Abdominal MRI · coronal plane, index 106 · 1st–99th percentile window
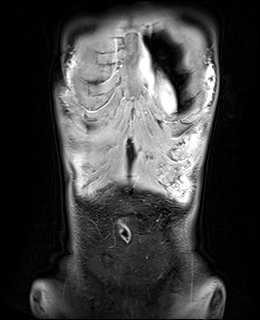

Coordinates as <box>x1,y1,x2,y2</box> in pixels.
Organ bounding boxes:
- stomach: <box>166,178,177,178</box>